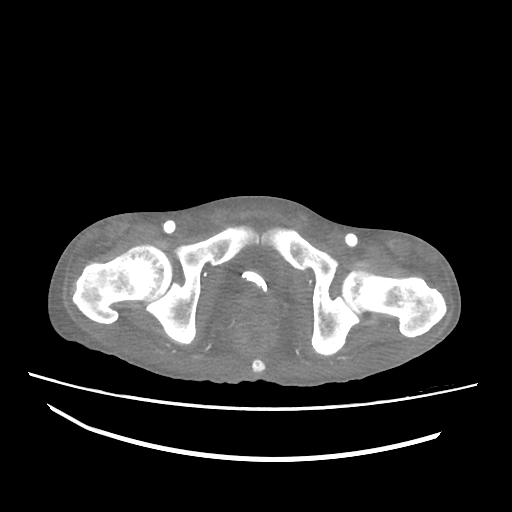 CT, abdomen/pelvis; axial view; W/L 400/40 HU
One row per box, in pixels: columns x1 and y1 give the top-left corner, x2 and y2 the bottom-right.
| organ | x1 | y1 | x2 | y2 |
|---|---|---|---|---|
| prostate/uterus | 228 | 290 | 279 | 327 |
| bladder | 219 | 247 | 280 | 295 |